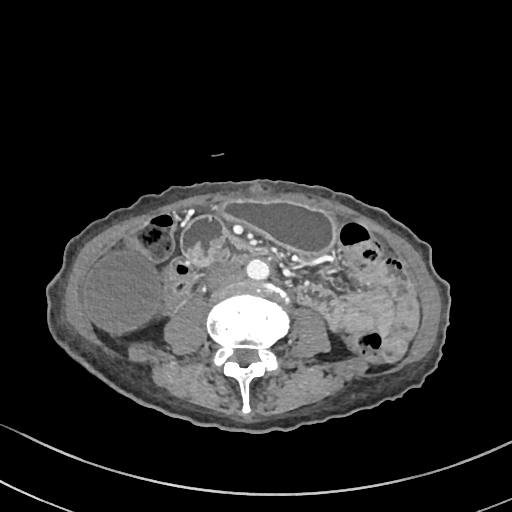 CT, abdomen/pelvis · axial view · soft-tissue window (W 400 / L 40) · 512x512 px · scan has 15 labeled organs (that count is for the whole scan; organs this slice misses have no box)
Bounding boxes as [x1, y1, x2, y2] in pixel coordinates.
Organ bounding boxes:
- stomach: [219, 200, 334, 254]
- duodenum: [181, 216, 265, 265]
- inferior vena cava: [208, 265, 244, 290]
- gall bladder: [83, 252, 158, 332]
- aorta: [246, 259, 269, 279]